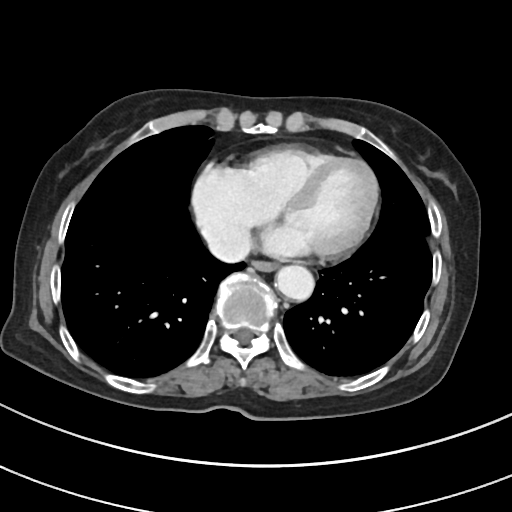

Lower-chest slice from an abdominal CT, just above the liver and spleen; axial plane, index 193; 512x512 px; acquired on SOMATOM Force
Of the structures in the chest, this dataset labels only the esophagus, the aorta and the inferior vena cava; the heart and lungs have no label.
Each box given as x1,y1,x2,y2.
esophagus: x1=253, y1=261, x2=277, y2=271
aorta: x1=274, y1=265, x2=314, y2=300
inferior vena cava: x1=207, y1=230, x2=251, y2=262